Abdominal CT. axial view. 512x512 px. 52-year-old male patient
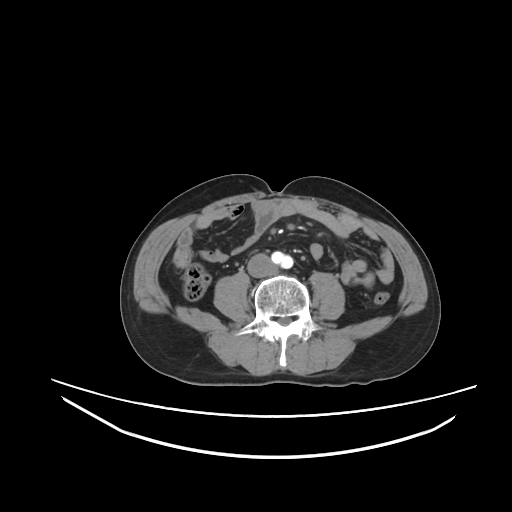 Boxes: x1 y1 x2 y2 (pixel coords, space-separated).
inferior vena cava: 247 253 276 276